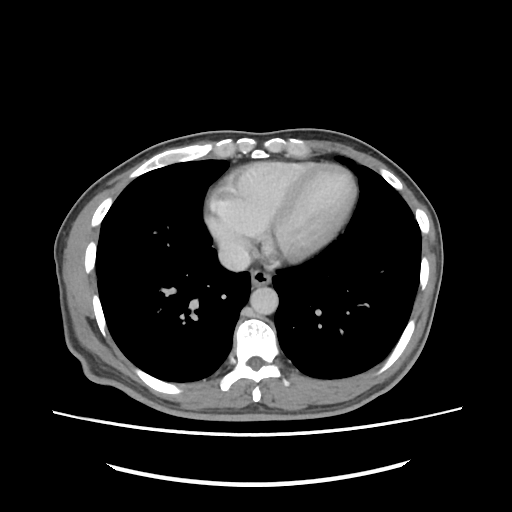 Lower-chest slice from an abdominal CT, just above the liver and spleen; axial view; W/L 400/40 HU
The heart and lungs are never labeled in this dataset, so they have no box on this slice.
Box edges are left/top/right/bottom in pixels.
Organ bounding boxes:
- esophagus: left=251, top=269, right=270, bottom=286
- aorta: left=250, top=286, right=278, bottom=314
- inferior vena cava: left=218, top=242, right=251, bottom=271